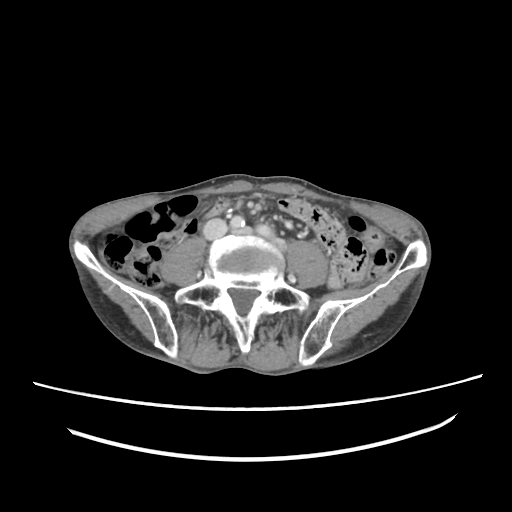 CT, abdomen/pelvis; Axial slice 38/79; abdomen soft-tissue window
Bounding boxes as [x1, y1, x2, y2] in pixel coordinates.
duodenum: [206, 198, 228, 217]